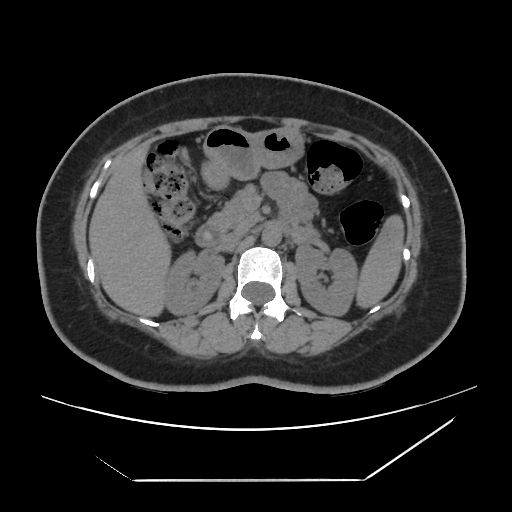
CT abdomen — axial view — 15 organs annotated in this scan (a whole-scan count: organs this slice does not pass through have no box)
{"organs":{"spleen":[358,216,403,306],"right kidney":[162,248,222,314],"left kidney":[296,245,359,314],"liver":[90,148,167,315],"stomach":[201,126,303,187],"aorta":[261,226,280,245],"inferior vena cava":[220,229,247,246],"pancreas":[207,187,261,231],"duodenum":[195,225,224,246]}}